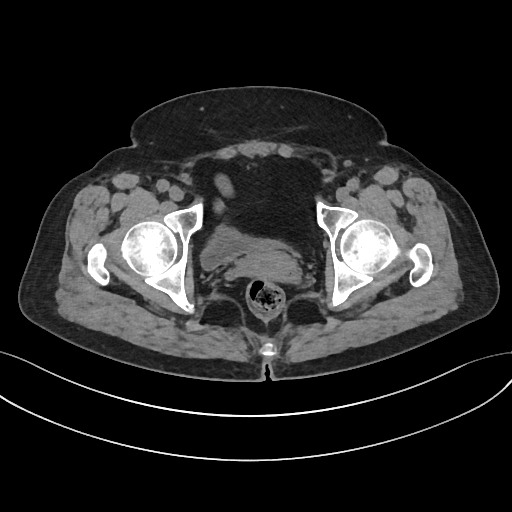

CT abdomen — axial view — 512x512 px
Boxes: x1 y1 x2 y2 (pixel coords, space-separated).
bladder: 201 226 287 270
prostate/uterus: 241 249 295 282